CT of the abdomen reaching into the lower chest, slice just above the liver and spleen. axial view
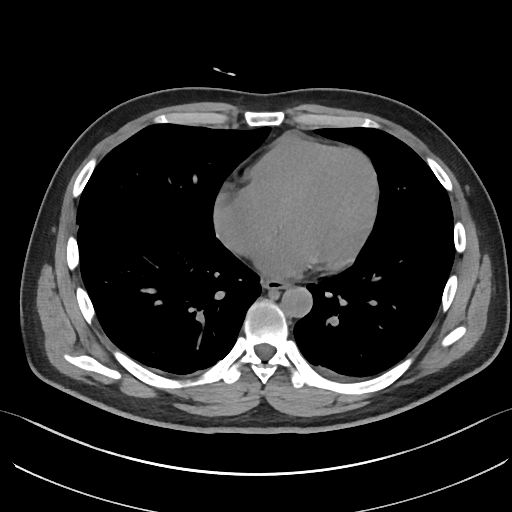 Of the structures in the chest, this dataset labels only the esophagus, the aorta and the inferior vena cava; the heart and lungs have no label.
{"organs":{"esophagus":[262,278,289,290],"aorta":[281,286,312,317]}}